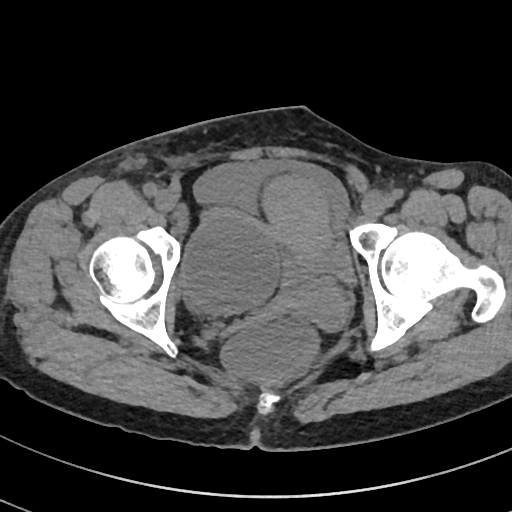 CT abdomen · axial view
Boxes are (x1, y1, x2, y2) in pixels. The annotated organs in this slice are: bladder at (194, 159, 354, 282), prostate/uterus at (263, 172, 344, 327).